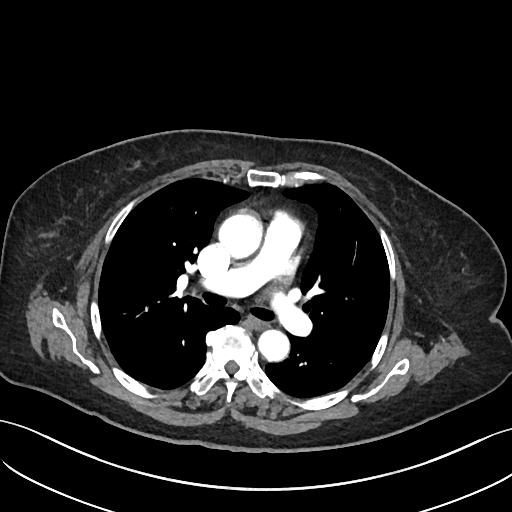 Chest-level CT slice, above the liver and spleen — axial plane, index 223 — soft-tissue window, W/L 400/40
On a slice this high in the chest, this dataset labels only the esophagus and the aorta, and each is boxed only where it is labeled; the heart, lungs and other chest structures are not labeled.
Boxes: x1 y1 x2 y2 (pixel coords, space-separated).
Organ bounding boxes:
- esophagus: 251 318 268 329
- aorta: 218 213 262 259
- aorta: 258 330 289 361